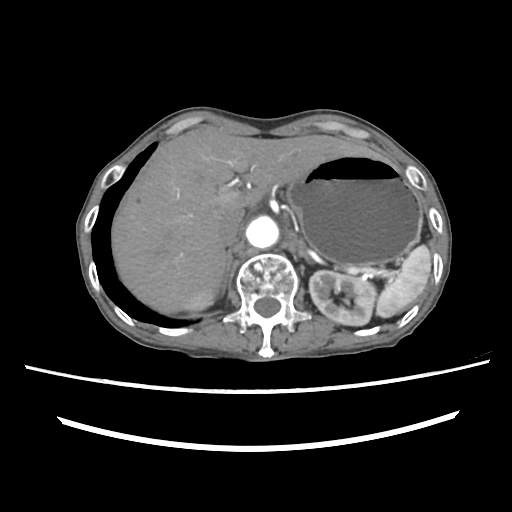

CT abdomen; axial plane, index 63; 512x512 px; 15 organs annotated in this scan (a whole-scan count: organs this slice does not pass through have no box)
Each box given as x1,y1,x2,y2.
Organ bounding boxes:
- spleen: x1=376, y1=245, x2=431, y2=317
- right kidney: x1=188, y1=295, x2=213, y2=309
- left kidney: x1=309, y1=270, x2=376, y2=325
- liver: x1=111, y1=126, x2=377, y2=314
- stomach: x1=286, y1=155, x2=422, y2=266
- aorta: x1=246, y1=217, x2=278, y2=248
- inferior vena cava: x1=218, y1=213, x2=243, y2=245
- right adrenal gland: x1=220, y1=251, x2=232, y2=294
- left adrenal gland: x1=298, y1=240, x2=310, y2=258